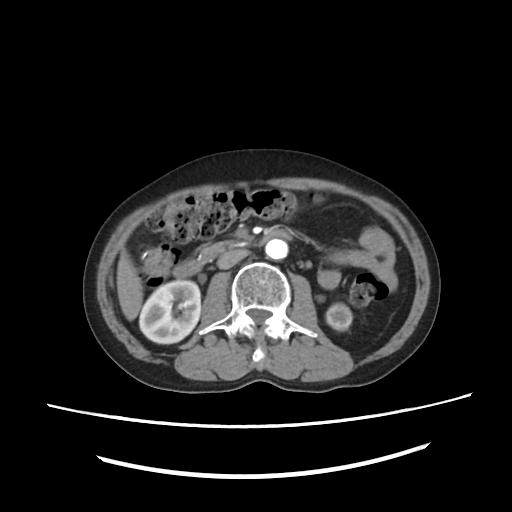
Computed tomography, abdomen. axial view. abdomen soft-tissue window. 15 organs annotated in this scan (a whole-scan count: organs this slice does not pass through have no box)
Boxes: x1:y1:x2:y2 in pixels. The annotated organs in this slice are: right kidney at 140:280:200:343, left kidney at 326:303:351:329, liver at 117:248:143:320, aorta at 266:238:288:258, inferior vena cava at 216:250:250:268, pancreas at 199:241:238:261, duodenum at 173:228:292:277.